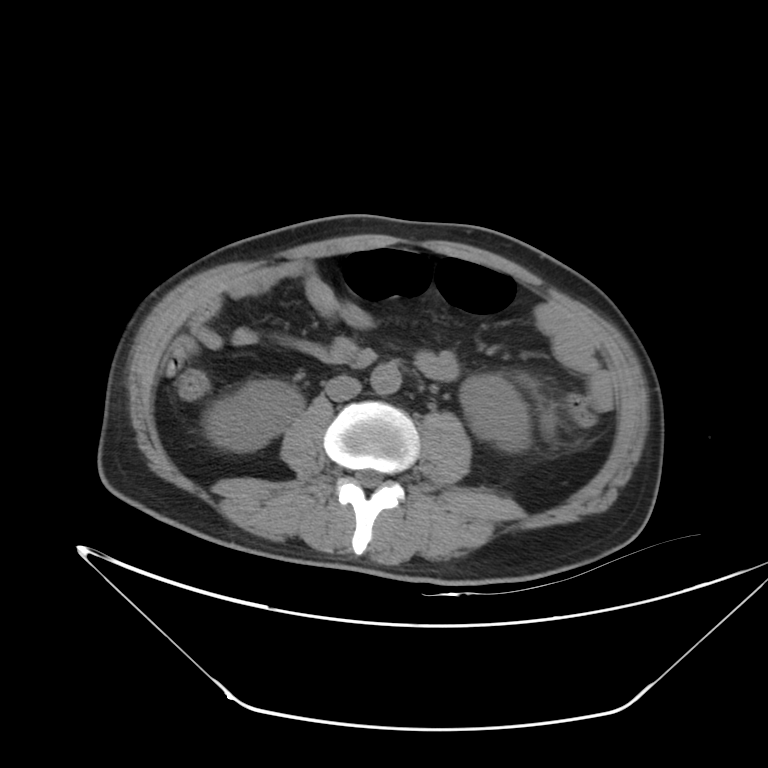

Abdominal CT; axial view
Organ boxes in pixel coordinates; each row gives the top-left (x1, y1) and bottom-right (x2, y2) corners.
| organ | x1 | y1 | x2 | y2 |
|---|---|---|---|---|
| right kidney | 202 | 379 | 303 | 451 |
| left kidney | 460 | 374 | 530 | 451 |
| aorta | 370 | 362 | 401 | 394 |
| inferior vena cava | 326 | 375 | 361 | 400 |